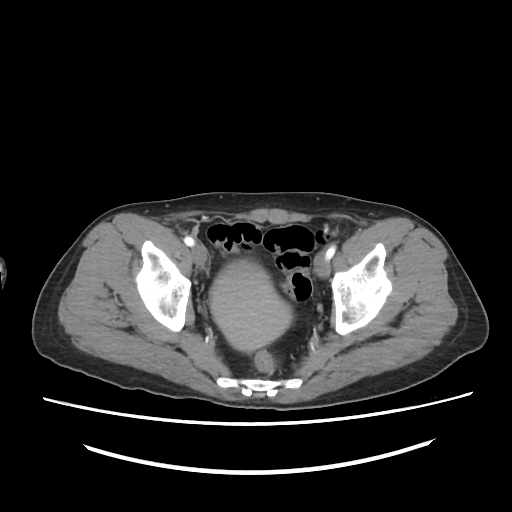

Computed tomography, abdomen — axial view — 14 organs annotated in this scan (that count is for the whole scan; organs this slice misses have no box)
Boxes: x1 y1 x2 y2 (pixel coords, space-separated). Labeled organs on this slice: bladder at 210 256 293 351.